Abdominal CT · axial view · soft-tissue window (W 400 / L 40) · 512x512 px
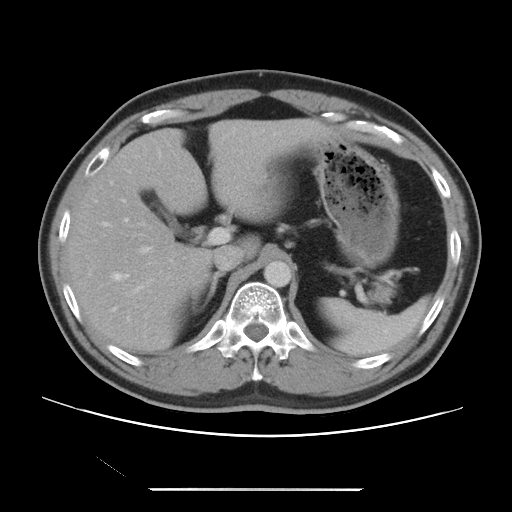

Boxes are (x1, y1, x2, y2) in pixels.
Organ bounding boxes:
- liver: (65, 118, 335, 353)
- right adrenal gland: (191, 272, 225, 308)
- inferior vena cava: (213, 245, 243, 272)
- gall bladder: (153, 202, 183, 234)
- aorta: (263, 260, 291, 287)
- pancreas: (371, 283, 394, 302)
- stomach: (268, 132, 399, 267)
- spleen: (320, 296, 430, 356)